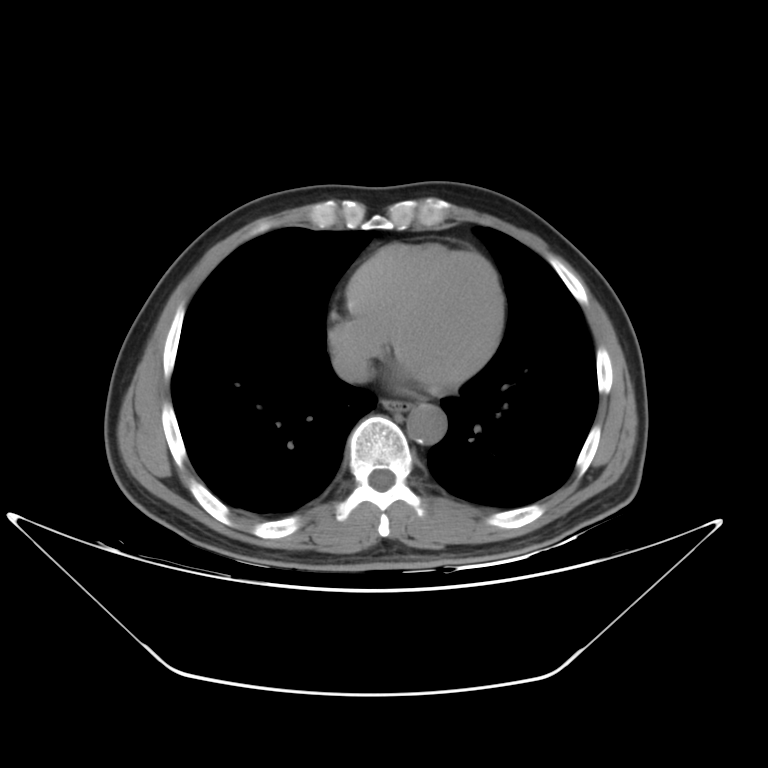

CT of the abdomen reaching into the lower chest, slice just above the liver and spleen — axial view — soft-tissue window (W 400 / L 40) — 53-year-old male patient
The heart and lungs are never labeled in this dataset, so they have no box on this slice.
Each box given as x1,y1,x2,y2.
Organ bounding boxes:
- esophagus: x1=384, y1=402, x2=411, y2=410
- aorta: x1=408, y1=405, x2=446, y2=444
- inferior vena cava: x1=331, y1=350, x2=372, y2=382